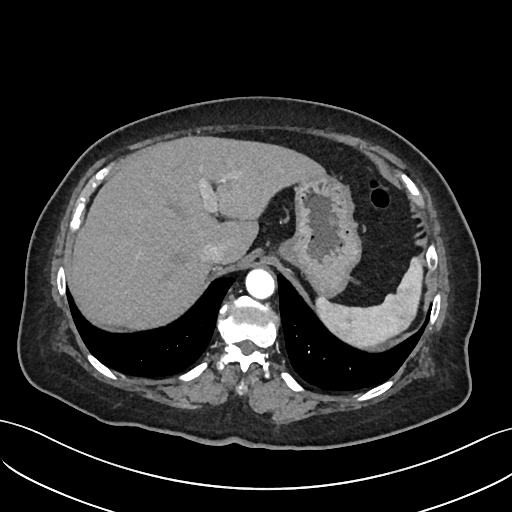

Abdominal CT — axial plane, index 160 — 512x512 px — scan has 15 labeled organs (counted over the whole 3D scan, not this slice; an organ is boxed only where this slice passes through it)
Bounding boxes as [x1, y1, x2, y2] in pixel coordinates.
spleen: [314, 256, 423, 346]
liver: [69, 135, 324, 330]
stomach: [282, 171, 361, 297]
aorta: [245, 268, 275, 297]
inferior vena cava: [199, 242, 227, 265]